CT abdomen. axial view. soft-tissue window. 512x512 px
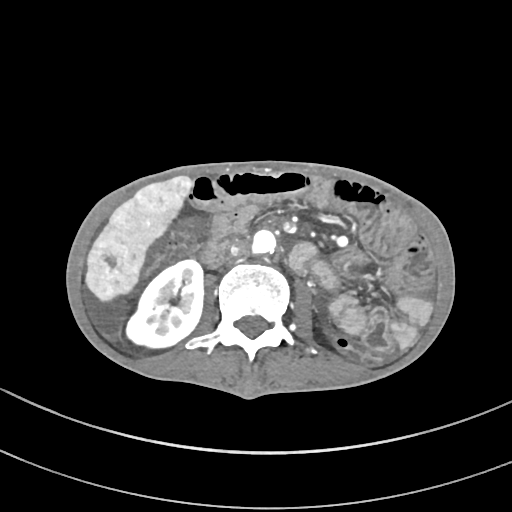

Boxes are (x1, y1, x2, y2) in pixels.
Organ bounding boxes:
- inferior vena cava: (230, 240, 248, 256)
- right kidney: (126, 260, 203, 347)
- liver: (85, 175, 191, 300)
- aorta: (252, 230, 276, 253)